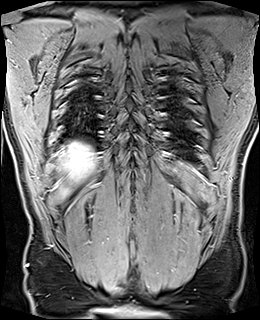

Abdominal MR. coronal view. 1st–99th percentile window. acquired on Prisma
Boxes: x1 y1 x2 y2 (pixel coords, space-separated).
Organ bounding boxes:
- liver: 60 142 95 195